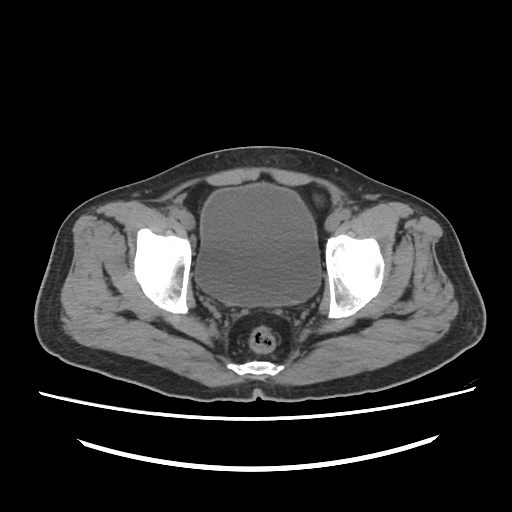

Computed tomography, abdomen — axial view — soft-tissue window (W 400 / L 40) — 14 organs annotated in this scan (counted over the whole 3D scan, not this slice; an organ is boxed only where this slice passes through it)
Bounding boxes as [x1, y1, x2, y2] in pixel coordinates. Labeled organs on this slice: bladder at [195, 183, 320, 306].